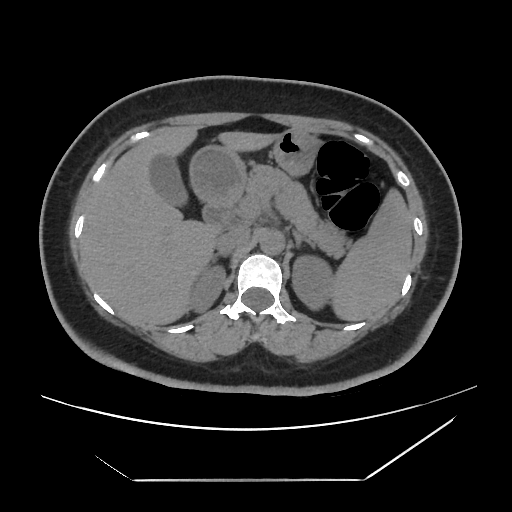 CT abdomen. axial view
<organs><organ name="spleen" x1="328" y1="187" x2="412" y2="321"/><organ name="right kidney" x1="192" y1="266" x2="225" y2="310"/><organ name="left kidney" x1="292" y1="257" x2="331" y2="308"/><organ name="gall bladder" x1="150" y1="156" x2="189" y2="207"/><organ name="liver" x1="79" y1="125" x2="281" y2="326"/><organ name="stomach" x1="189" y1="130" x2="319" y2="202"/><organ name="aorta" x1="259" y1="230" x2="284" y2="255"/><organ name="inferior vena cava" x1="215" y1="228" x2="250" y2="252"/><organ name="pancreas" x1="246" y1="165" x2="351" y2="257"/><organ name="right adrenal gland" x1="212" y1="253" x2="229" y2="261"/><organ name="left adrenal gland" x1="293" y1="231" x2="314" y2="249"/><organ name="duodenum" x1="202" y1="198" x2="234" y2="226"/></organs>